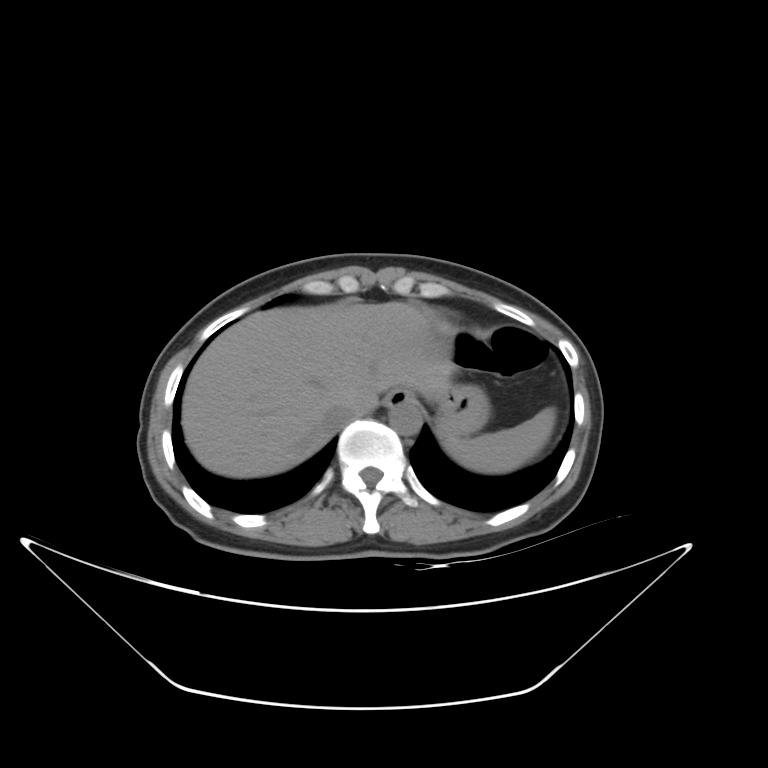 CT, abdomen/pelvis · axial view · soft-tissue window · 768x768 px · acquired on Brilliance16 · scan has 15 labeled organs (counted over the whole 3D scan, not this slice; an organ is boxed only where this slice passes through it)
Box edges are left/top/right/bottom in pixels. 6 labeled organs on this slice — spleen at left=444, top=407, right=555, bottom=472; liver at left=181, top=301, right=456, bottom=477; stomach at left=432, top=384, right=489, bottom=440; inferior vena cava at left=322, top=398, right=362, bottom=430; aorta at left=389, top=402, right=422, bottom=435; esophagus at left=384, top=388, right=414, bottom=407.